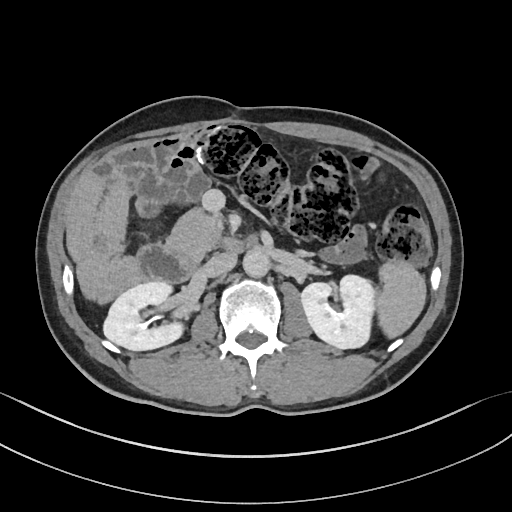
Computed tomography, abdomen; Axial slice 155/230
Boxes are (x1, y1, x2, y2) in pixels.
aorta: (242, 248, 270, 275)
spleen: (378, 259, 425, 338)
right kidney: (104, 280, 184, 350)
duodenum: (137, 234, 257, 282)
pancreas: (168, 211, 220, 254)
left kidney: (301, 274, 377, 348)
liver: (98, 183, 131, 242)
inferior vena cava: (205, 251, 237, 277)